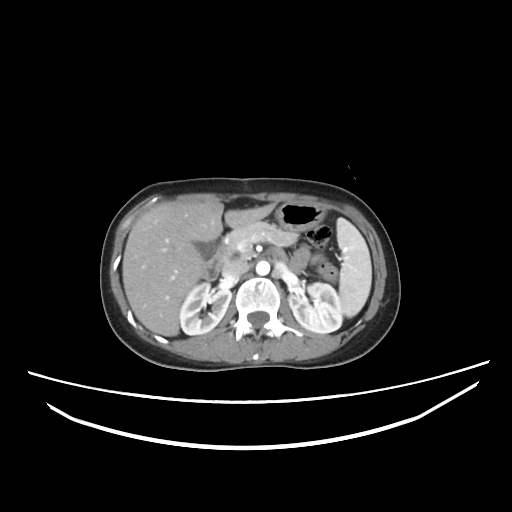

Abdominal CT — axial view — 512x512 px — Aquilion ONE scanner
<organs><organ name="right kidney" x1="179" y1="282" x2="231" y2="334"/><organ name="gall bladder" x1="196" y1="242" x2="214" y2="255"/><organ name="liver" x1="122" y1="201" x2="275" y2="336"/><organ name="spleen" x1="336" y1="218" x2="371" y2="317"/><organ name="duodenum" x1="202" y1="244" x2="226" y2="279"/><organ name="stomach" x1="275" y1="202" x2="325" y2="232"/><organ name="left kidney" x1="288" y1="282" x2="342" y2="333"/><organ name="pancreas" x1="224" y1="221" x2="298" y2="258"/><organ name="aorta" x1="256" y1="261" x2="270" y2="275"/><organ name="inferior vena cava" x1="222" y1="260" x2="249" y2="278"/></organs>